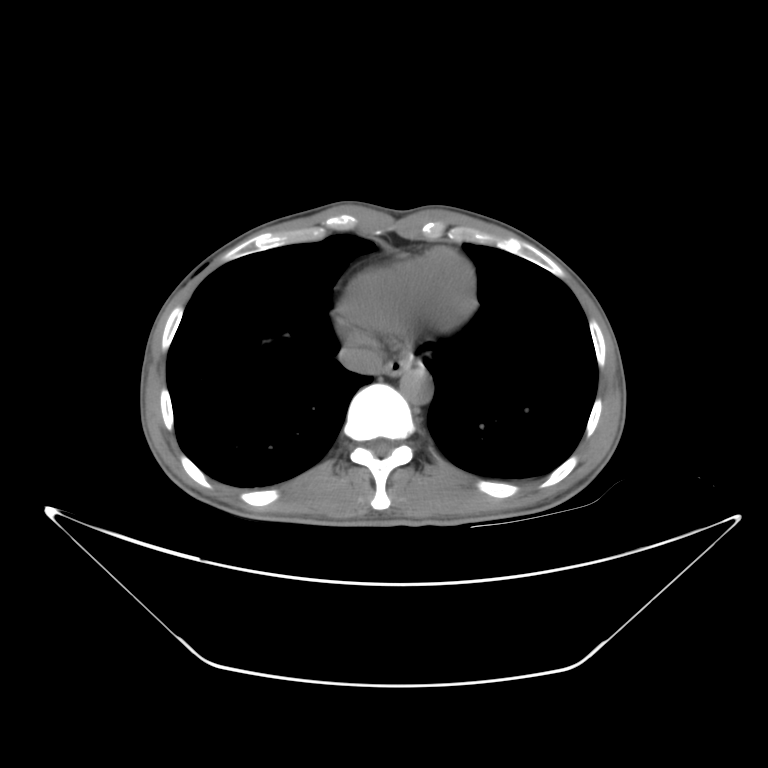

Lower-chest slice from an abdominal CT, just above the liver and spleen — axial view — 768x768 px — 33-year-old male patient — acquired on Brilliance16
The heart and lungs are never labeled in this dataset, so they have no box on this slice. Box edges are left/top/right/bottom in pixels. Labeled organs on this slice: inferior vena cava at left=340, top=343, right=382, bottom=373, aorta at left=400, top=368, right=432, bottom=405, esophagus at left=378, top=358, right=409, bottom=375.